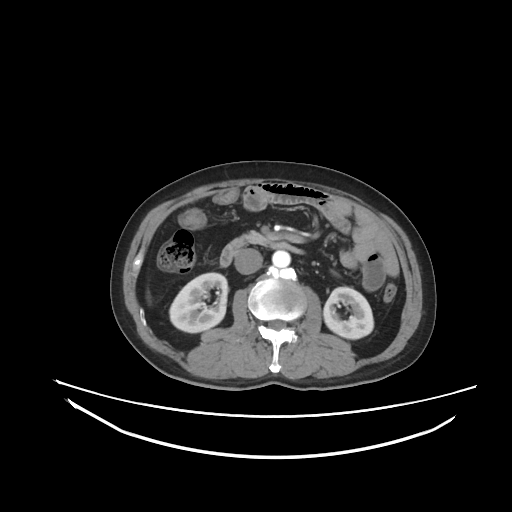
CT, abdomen/pelvis; Axial slice 63/134; 512x512 px; 52-year-old male patient
Bounding boxes as [x1, y1, x2, y2] in pixel coordinates. The annotated organs in this slice are: duodenum at [220, 237, 303, 266], right kidney at [169, 272, 227, 332], aorta at [272, 250, 290, 267], left kidney at [323, 287, 373, 339], pancreas at [244, 231, 272, 245], inferior vena cava at [234, 248, 262, 274].